Abdominal CT reaching into the chest; this slice is in the chest — axial view — 37-year-old female patient — acquired on Aquilion ONE
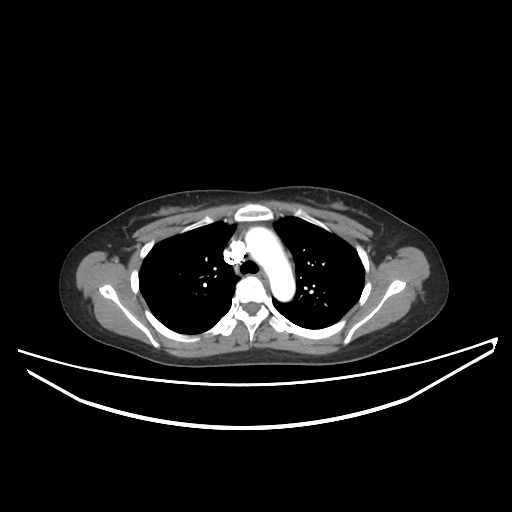 At this level of the chest this dataset labels only the esophagus and the aorta, and each is boxed only where it is labeled; the heart and lungs are never labeled.
<organs><organ name="esophagus" x1="256" y1="272" x2="269" y2="285"/><organ name="aorta" x1="246" y1="227" x2="295" y2="301"/></organs>